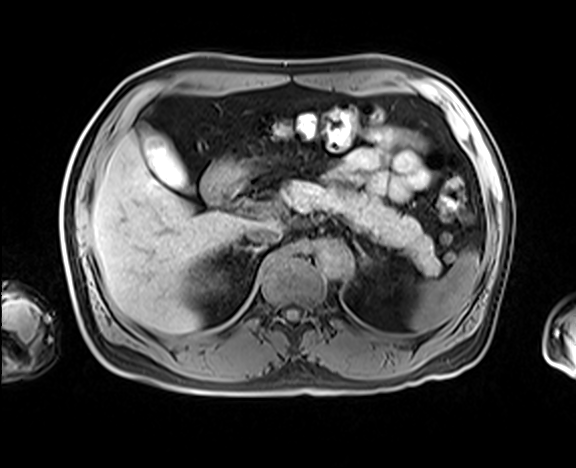

Abdominal MR · axial view · 576x468 px
<organs><organ name="spleen" x1="410" y1="251" x2="480" y2="332"/><organ name="gall bladder" x1="139" y1="122" x2="190" y2="194"/><organ name="liver" x1="92" y1="134" x2="269" y2="333"/><organ name="stomach" x1="201" y1="156" x2="270" y2="197"/><organ name="aorta" x1="316" y1="240" x2="353" y2="277"/><organ name="inferior vena cava" x1="245" y1="226" x2="282" y2="244"/><organ name="pancreas" x1="281" y1="181" x2="440" y2="273"/><organ name="right adrenal gland" x1="235" y1="245" x2="262" y2="264"/><organ name="left adrenal gland" x1="354" y1="243" x2="367" y2="262"/><organ name="duodenum" x1="204" y1="186" x2="258" y2="209"/></organs>